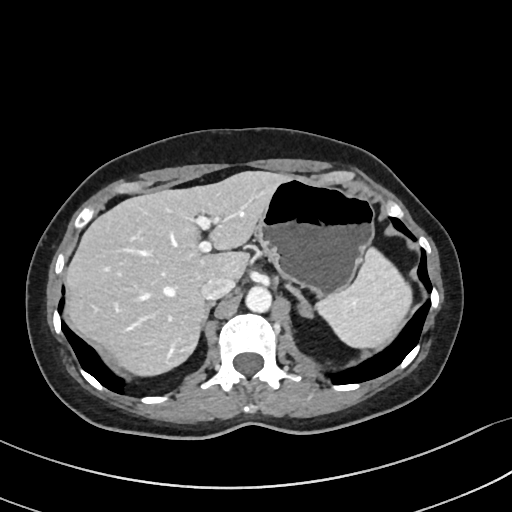
Computed tomography, abdomen. Axial slice 150/175. soft-tissue window (W 400 / L 40)
Boxes: x1:y1:x2:y2 in pixels.
Organ bounding boxes:
- left adrenal gland: 285:285:312:315
- liver: 66:171:287:377
- inferior vena cava: 200:278:235:300
- spleen: 314:245:412:349
- right adrenal gland: 200:302:215:337
- stomach: 255:176:374:295
- aorta: 245:287:270:312